Abdominal CT; axial view; 61-year-old male patient
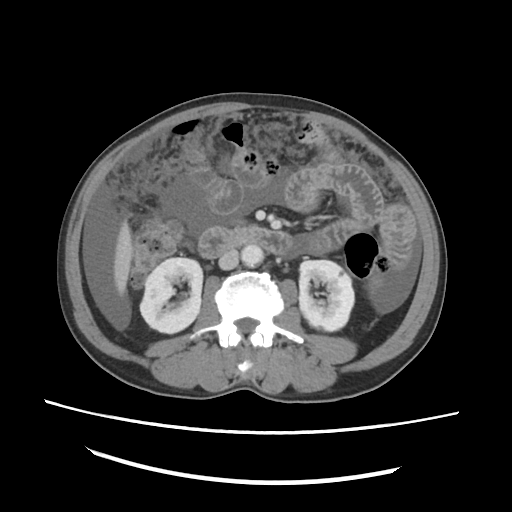
{"organs":{"right kidney":[140,257,202,333],"left kidney":[299,260,354,331],"liver":[113,221,132,294],"aorta":[241,245,263,266],"inferior vena cava":[218,249,238,269],"duodenum":[198,226,292,258]}}